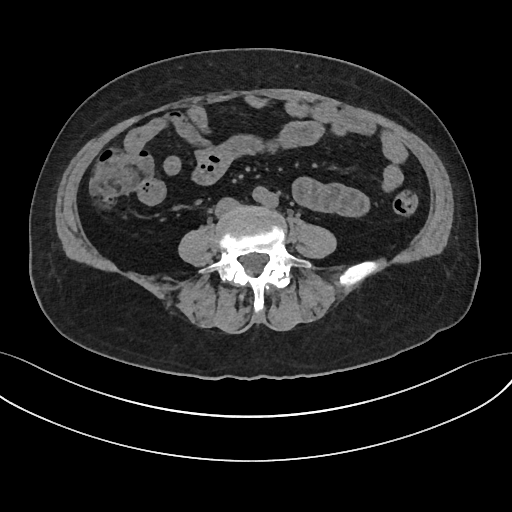 CT abdomen · Axial slice 91/207 · soft-tissue window (W 400 / L 40) · acquired on SOMATOM Force
<organs><organ name="inferior vena cava" x1="215" y1="197" x2="238" y2="215"/><organ name="aorta" x1="253" y1="186" x2="277" y2="207"/></organs>